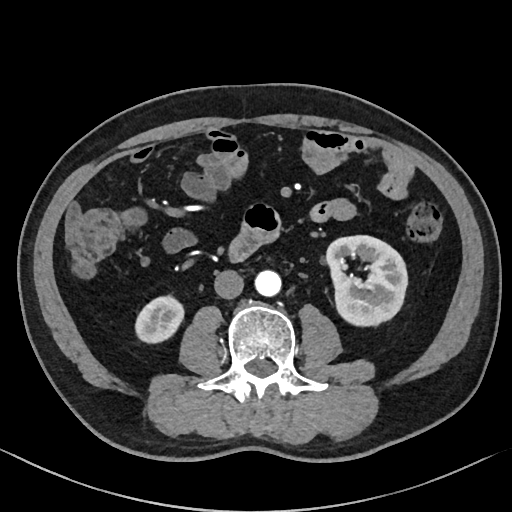
CT, abdomen/pelvis. axial view. soft-tissue window. 512x512 px
Bounding boxes as [x1, y1, x2, y2] in pixel coordinates.
right kidney: [135, 296, 183, 343]
left kidney: [326, 235, 407, 326]
aorta: [254, 270, 281, 296]
inferior vena cava: [214, 270, 243, 299]